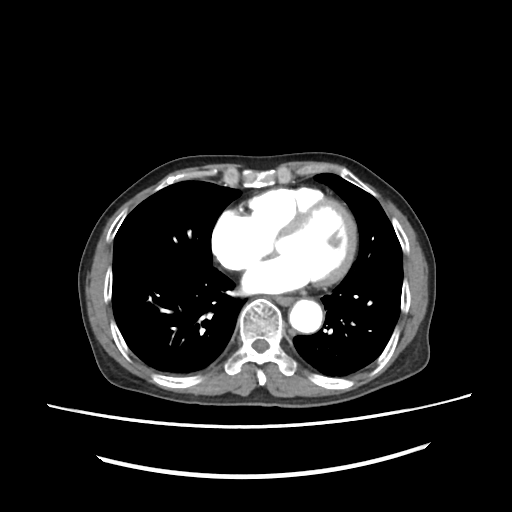

CT of the abdomen reaching into the lower chest, slice just above the liver and spleen. Axial slice 95/132. 512x512 px. 67-year-old male patient
The heart and lungs are never labeled in this dataset, so they have no box on this slice.
<organs><organ name="esophagus" x1="277" y1="298" x2="293" y2="304"/><organ name="aorta" x1="289" y1="300" x2="321" y2="332"/></organs>